Computed tomography, abdomen — axial view — SOMATOM Force scanner
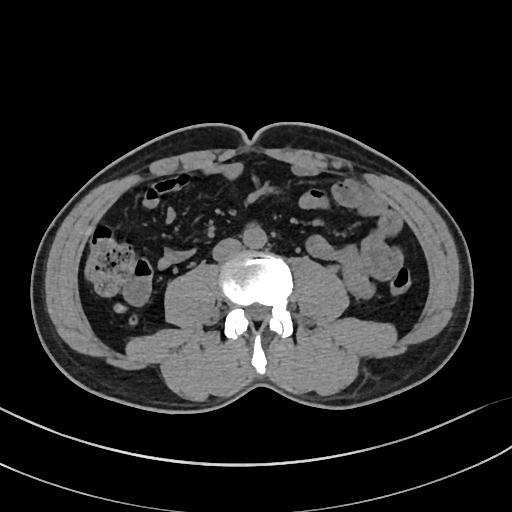

<organs><organ name="aorta" x1="243" y1="226" x2="266" y2="248"/><organ name="inferior vena cava" x1="212" y1="238" x2="241" y2="261"/></organs>